Computed tomography, abdomen — axial view — abdomen soft-tissue window — SOMATOM Force scanner
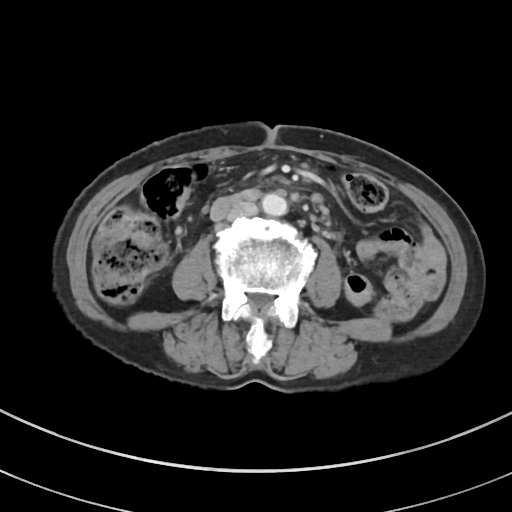 Bounding boxes in pixels, one row per box: x1, y1 is the top-left corner and x2, y2 the bottom-right.
| organ | x1 | y1 | x2 | y2 |
|---|---|---|---|---|
| aorta | 261 | 193 | 287 | 216 |
| inferior vena cava | 228 | 201 | 257 | 219 |